Abdominal MR — Axial slice 44/72 — percentile-normalized — 576x468 px
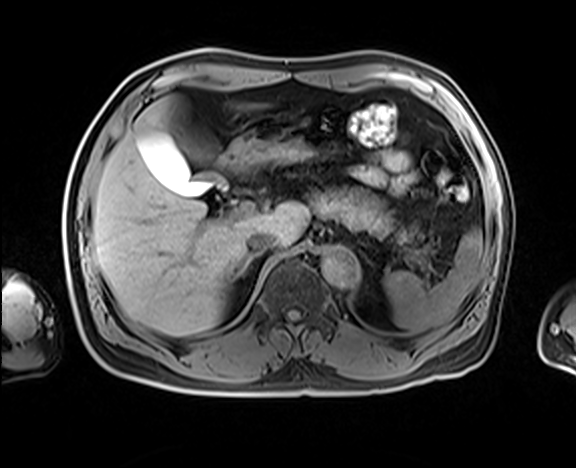

{"organs":{"spleen":[383,229,483,333],"gall bladder":[134,123,228,195],"liver":[92,97,308,336],"stomach":[220,120,318,168],"aorta":[321,247,358,287],"inferior vena cava":[247,231,277,253],"pancreas":[310,190,415,242],"right adrenal gland":[236,255,255,277]}}